CT abdomen; axial view; soft-tissue window; 512x512 px; scan has 15 labeled organs (counted over the whole 3D scan, not this slice; an organ is boxed only where this slice passes through it)
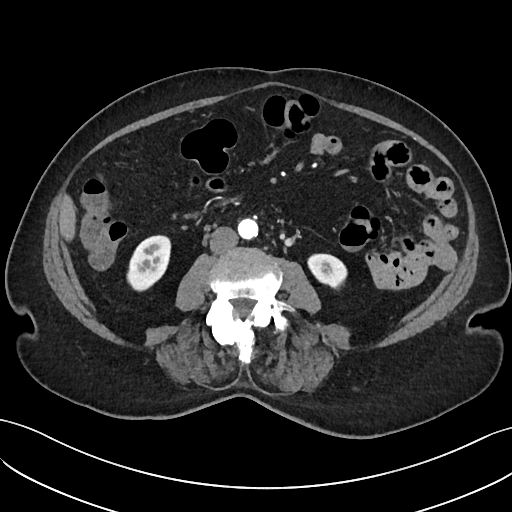

Box edges are left/top/right/bottom in pixels.
left kidney: left=307, top=253, right=349, bottom=286
aorta: left=237, top=218, right=257, bottom=239
right kidney: left=128, top=234, right=171, bottom=290
inferior vena cava: left=209, top=227, right=237, bottom=253
liver: left=58, top=193, right=76, bottom=241